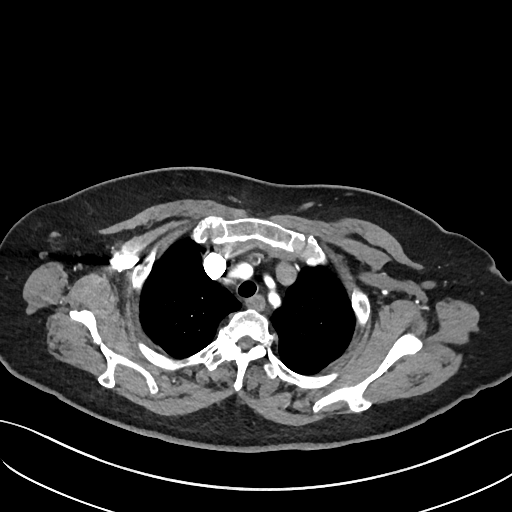 CT of the abdomen extending into the chest, slice through the chest — Axial slice 257/276 — acquired on SOMATOM Force — 15 organs annotated in this scan (a whole-scan count: organs this slice does not pass through have no box)
At this level of the chest this dataset labels only the esophagus and the aorta, and each is boxed only where it is labeled; the heart and lungs are never labeled.
<organs><organ name="esophagus" x1="247" y1="295" x2="263" y2="309"/></organs>